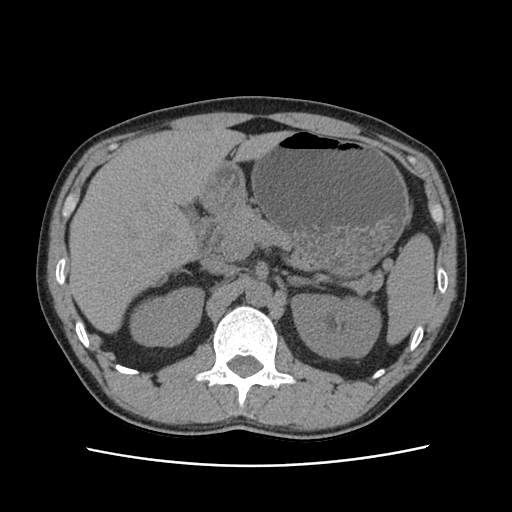
Abdominal CT. axial view
{"organs":{"duodenum":[198,209,228,250],"left kidney":[290,294,381,359],"right kidney":[131,289,203,346],"pancreas":[217,208,291,253],"inferior vena cava":[203,256,236,274],"gall bladder":[185,205,198,222],"spleen":[387,234,435,343],"left adrenal gland":[286,273,316,287],"stomach":[202,130,410,278],"liver":[69,129,294,333],"aorta":[245,280,272,307]}}